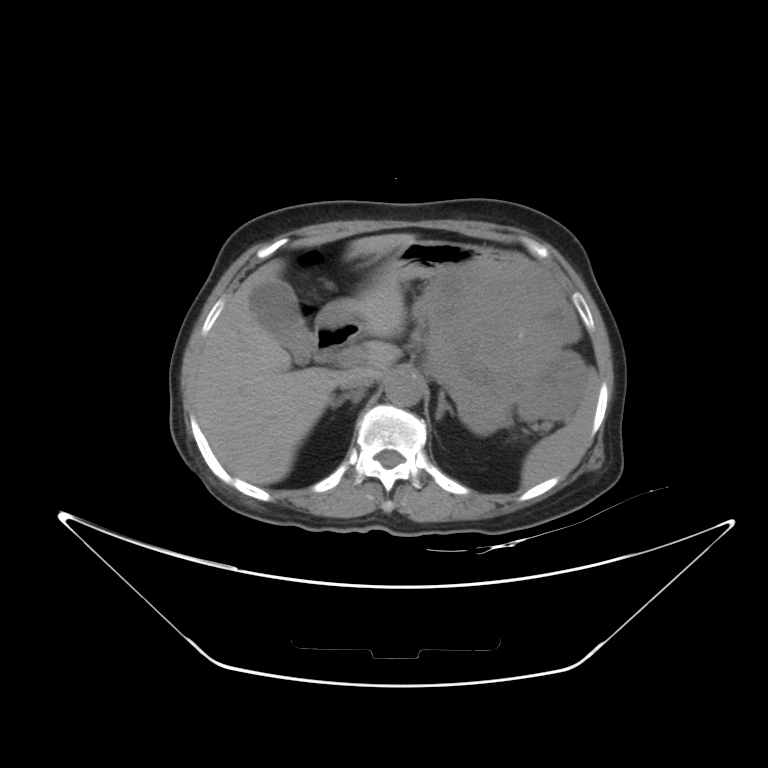
CT, abdomen/pelvis. axial view. 768x768 px
{"organs":{"spleen":[522,372,598,486],"gall bladder":[250,279,315,363],"liver":[193,234,415,484],"stomach":[317,240,585,429],"aorta":[385,371,424,406],"inferior vena cava":[340,367,375,389],"right adrenal gland":[327,388,365,408],"left adrenal gland":[435,392,453,420],"duodenum":[314,321,361,356]}}